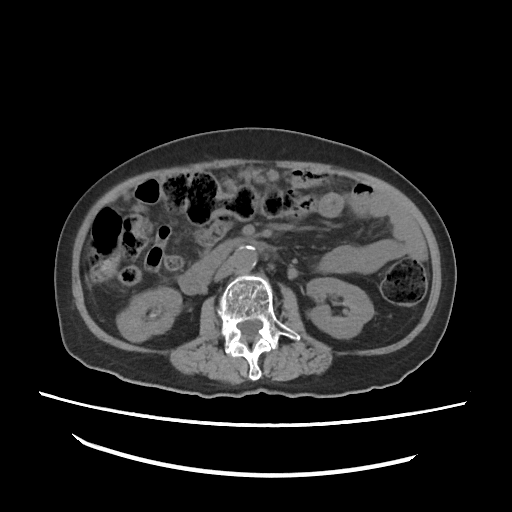 CT abdomen. axial view. W/L 400/40 HU. 512x512 px. scan has 15 labeled organs (counted over the whole 3D scan, not this slice; an organ is boxed only where this slice passes through it)
Boxes: x1 y1 x2 y2 (pixel coords, space-separated).
Organ bounding boxes:
- right kidney: 118 288 181 341
- left kidney: 306 278 372 338
- aorta: 233 245 257 271
- inferior vena cava: 214 258 233 281
- duodenum: 180 237 266 293